CT abdomen. axial view. soft-tissue window. scan has 15 labeled organs (counted over the whole 3D scan, not this slice; an organ is boxed only where this slice passes through it)
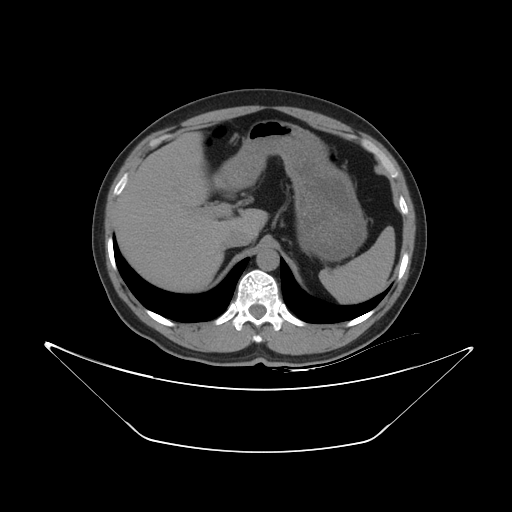
{"organs":{"stomach":[215,120,366,261],"liver":[115,131,267,292],"aorta":[256,248,279,271],"inferior vena cava":[223,229,250,247],"spleen":[318,226,394,303]}}